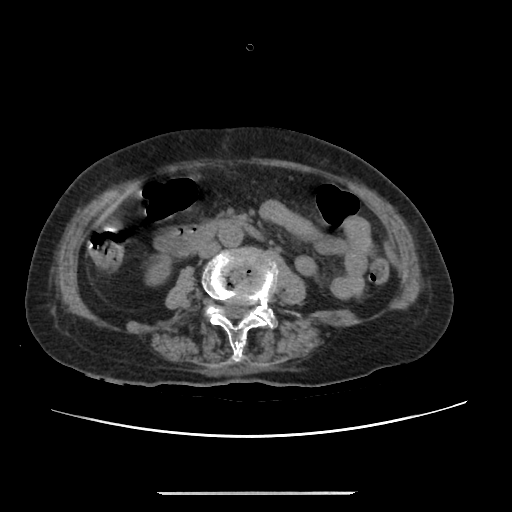

Computed tomography, abdomen · axial view · soft-tissue window · SOMATOM Force scanner · 14 organs annotated in this scan (that count is for the whole scan; organs this slice misses have no box)
Organ boxes in pixel coordinates; each row gives the top-left (x1, y1) and bottom-right (x2, y2) corners.
| organ | x1 | y1 | x2 | y2 |
|---|---|---|---|---|
| right kidney | 149 | 257 | 172 | 284 |
| duodenum | 154 | 219 | 263 | 253 |
| aorta | 218 | 223 | 242 | 246 |
| inferior vena cava | 197 | 240 | 219 | 257 |